CT of the abdomen extending into the chest, slice through the chest; axial view; acquired on SOMATOM Force; scan has 15 labeled organs (counted over the whole 3D scan, not this slice; an organ is boxed only where this slice passes through it)
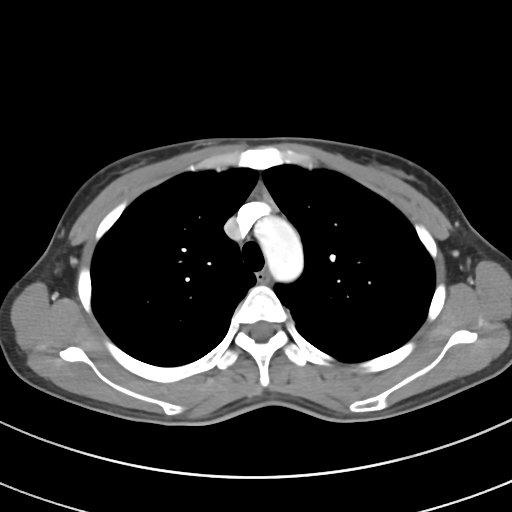
On a slice this high in the chest, this dataset labels only the esophagus and the aorta, and each is boxed only where it is labeled; the heart, lungs and other chest structures are not labeled.
Boxes are (x1, y1, x2, y2) in pixels.
Organ bounding boxes:
- esophagus: (257, 270, 269, 281)
- aorta: (254, 217, 303, 281)